CT abdomen — axial plane, index 124 — SOMATOM Force scanner — scan has 15 labeled organs (counted over the whole 3D scan, not this slice; an organ is boxed only where this slice passes through it)
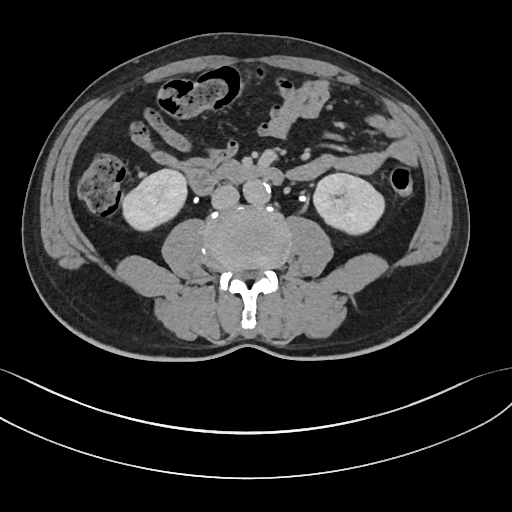 Boxes are (x1, y1, x2, y2) in pixels. 5 labeled organs on this slice — right kidney at (120, 169, 188, 230); inferior vena cava at (212, 185, 239, 209); left kidney at (313, 173, 386, 235); aorta at (244, 180, 272, 204); duodenum at (184, 162, 284, 194).